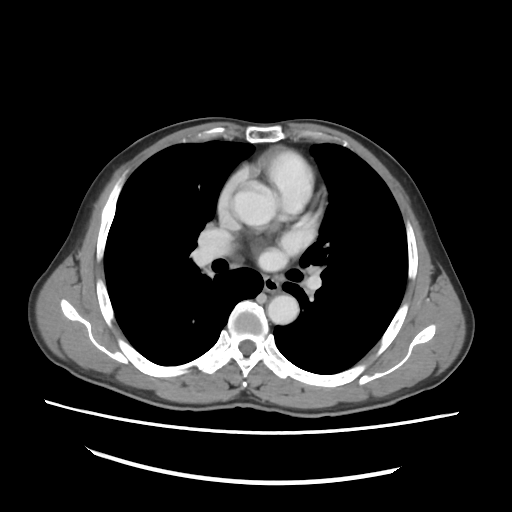 Chest-level slice from an abdominal CT that extends up into the chest · axial view · 61-year-old male patient
On a slice this high in the chest, this dataset labels only the esophagus and the aorta, and each is boxed only where it is labeled; the heart, lungs and other chest structures are not labeled.
<organs><organ name="esophagus" x1="264" y1="279" x2="278" y2="292"/><organ name="aorta" x1="231" y1="182" x2="276" y2="225"/><organ name="aorta" x1="267" y1="294" x2="298" y2="324"/></organs>